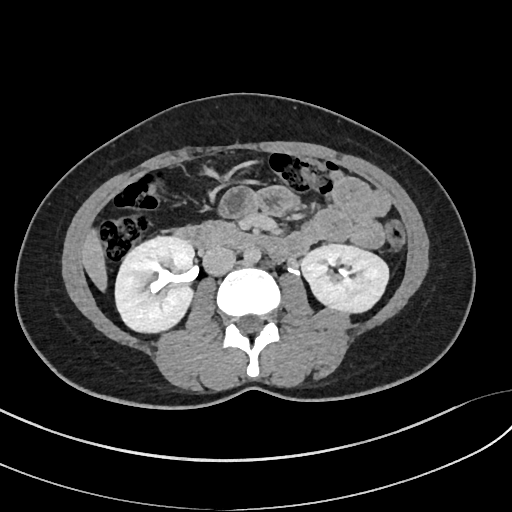

CT abdomen; Axial slice 135/219
Box edges are left/top/right/bottom in pixels. The annotated organs in this slice are: right kidney at left=116, top=238, right=195, bottom=334, left kidney at left=302, top=243, right=389, bottom=314, liver at left=81, top=227, right=106, bottom=292, aorta at left=244, top=248, right=260, bottom=264, inferior vena cava at left=202, top=246, right=235, bottom=275, pancreas at left=199, top=220, right=237, bottom=244, duodenum at left=172, top=226, right=287, bottom=260.